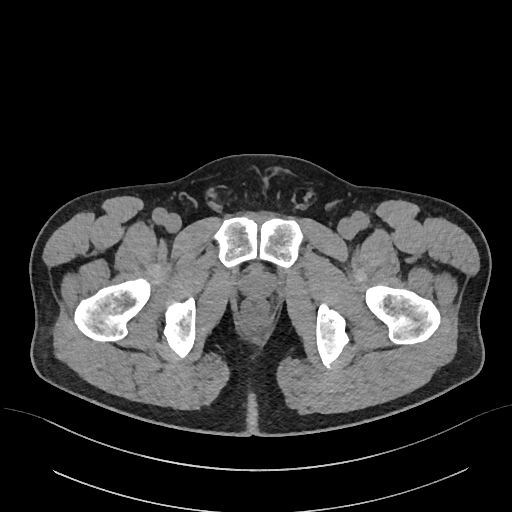
CT abdomen — Axial slice 23/265 — 512x512 px
{"organs":{"prostate/uterus":[240,267,275,297]}}